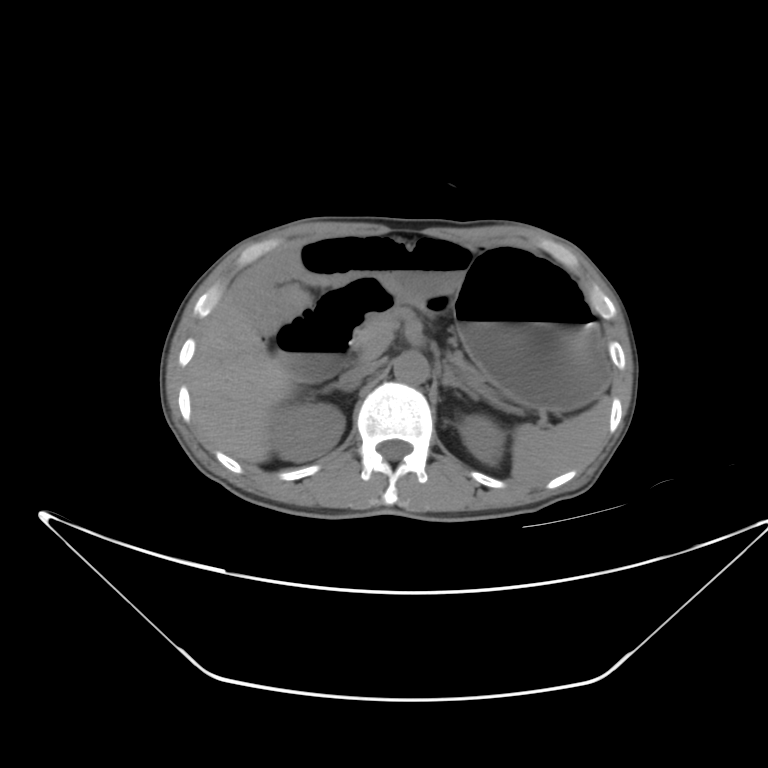
CT abdomen — axial view — soft-tissue window — 768x768 px
Boxes: x1 y1 x2 y2 (pixel coords, space-separated). Labeled organs on this slice: right kidney at 266 403 342 461, right adrenal gland at 328 377 361 389, duodenum at 271 279 394 381, inferior vena cava at 339 361 380 380, liver at 190 296 295 463, left kidney at 463 415 504 463, aorta at 394 353 427 384, spleen at 514 395 611 485, left adrenal gland at 441 363 478 397, stomach at 412 248 607 410, pancreas at 343 313 493 394.